Abdominal CT — axial view — soft-tissue window (W 400 / L 40) — 50-year-old male patient — Brilliance16 scanner
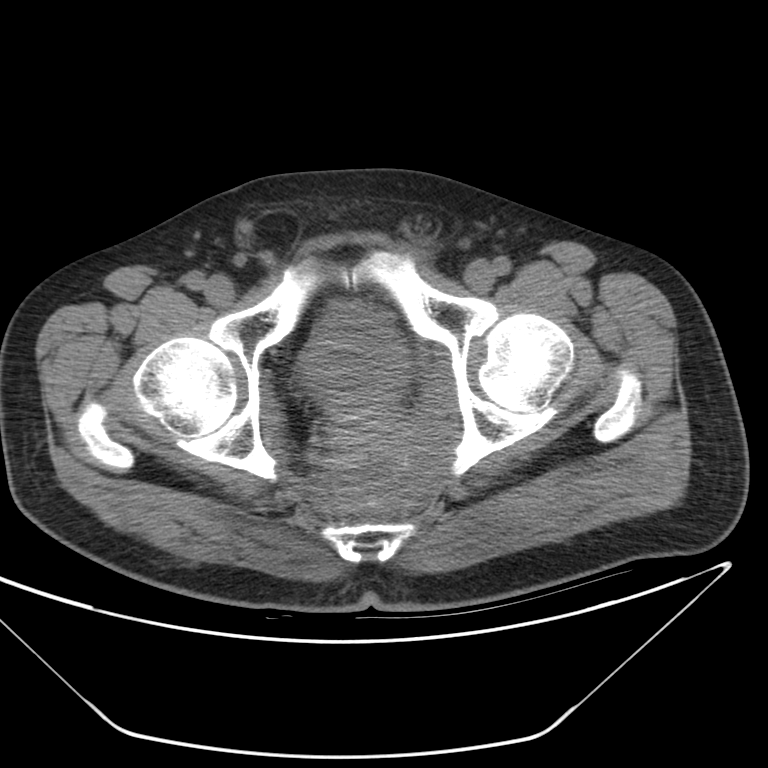
{"organs":{"prostate/uterus":[326,395,391,440],"bladder":[309,317,409,400]}}